CT abdomen. axial view
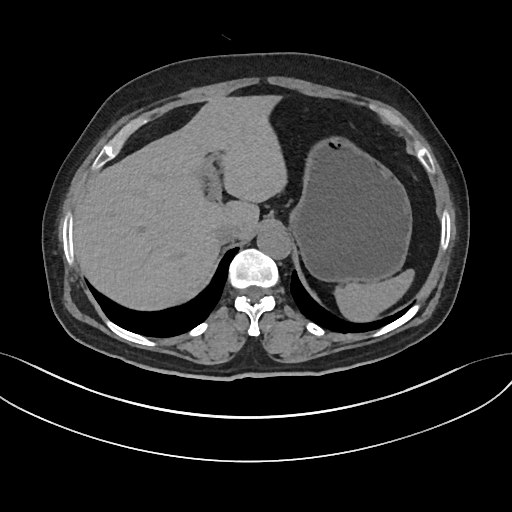 <organs><organ name="spleen" x1="337" y1="269" x2="415" y2="323"/><organ name="liver" x1="73" y1="94" x2="285" y2="311"/><organ name="stomach" x1="291" y1="139" x2="412" y2="281"/><organ name="aorta" x1="256" y1="225" x2="290" y2="258"/><organ name="inferior vena cava" x1="214" y1="222" x2="240" y2="242"/></organs>